Abdominal CT · axial view · soft-tissue window · SOMATOM Force scanner
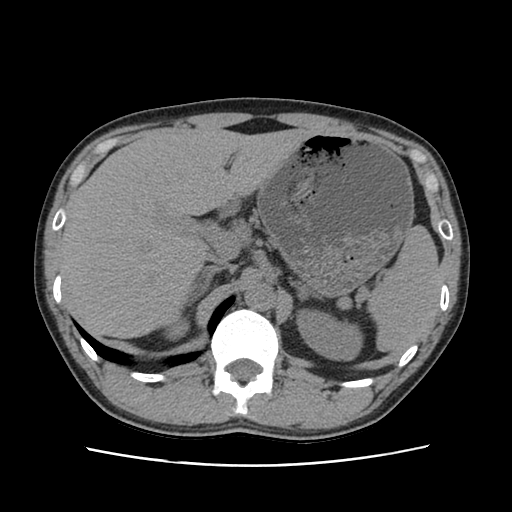
Box edges are left/top/right/bottom in pixels. 10 labeled organs on this slice — inferior vena cava at left=206, top=249, right=236, bottom=272; stomach at left=259, top=132, right=414, bottom=298; aorta at left=244, top=282, right=275, bottom=311; right kidney at left=168, top=321, right=187, bottom=336; left kidney at left=298, top=311, right=361, bottom=359; right adrenal gland at left=191, top=268, right=219, bottom=303; liver at left=61, top=128, right=317, bottom=339; left adrenal gland at left=292, top=281, right=324, bottom=301; spleen at left=337, top=226, right=439, bottom=353; duodenum at left=220, top=197, right=239, bottom=217.